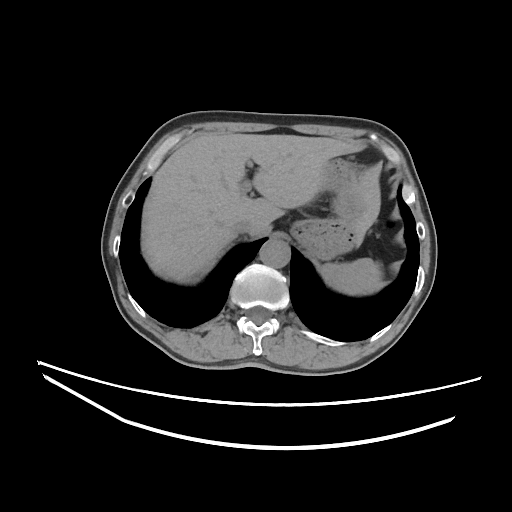

Abdominal CT — axial view — abdomen soft-tissue window — 68-year-old male patient
Boxes are (x1, y1, x2, y2) in pixels.
Organ bounding boxes:
- liver: (142, 133, 380, 282)
- aorta: (259, 240, 290, 268)
- stomach: (291, 158, 363, 259)
- inferior vena cava: (231, 218, 264, 234)
- spleen: (318, 258, 384, 295)